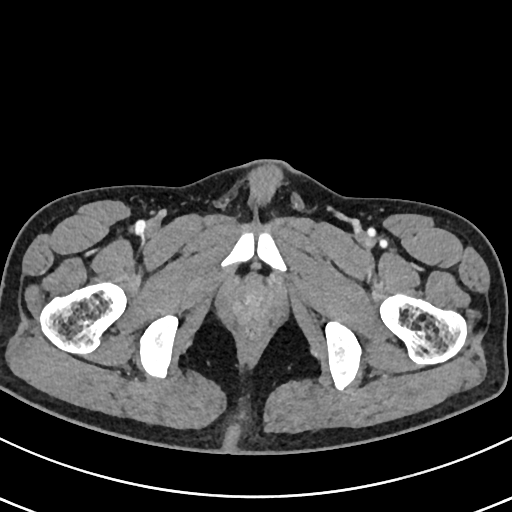
Computed tomography, abdomen; axial view; acquired on SOMATOM Force
Each box given as x1,y1,x2,y2.
Organ bounding boxes:
- prostate/uterus: x1=233, y1=285, x2=273, y2=319